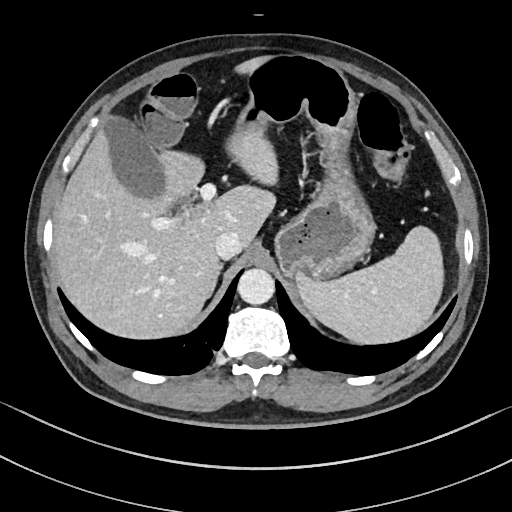
CT abdomen — Axial slice 180/232
Boxes: x1:y1:x2:y2 in pixels. 7 labeled organs on this slice — spleen at 295:226:443:344; gall bladder at 102:114:168:200; liver at 53:58:276:340; stomach at 231:53:373:279; aorta at 237:268:274:305; inferior vena cava at 214:231:243:259; right adrenal gland at 208:262:223:295.